CT abdomen — axial view — 512x512 px — scan has 15 labeled organs (counted over the whole 3D scan, not this slice; an organ is boxed only where this slice passes through it)
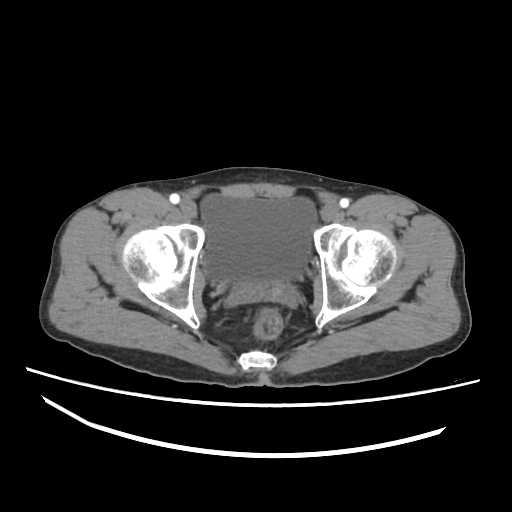
{"organs":{"bladder":[201,194,316,281]}}